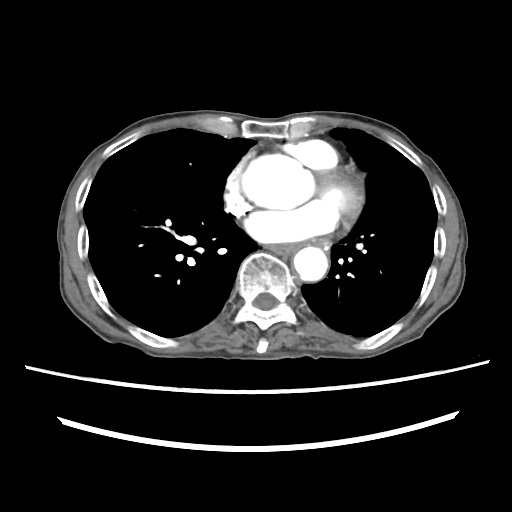
Chest-level CT slice, above the liver and spleen. Axial slice 85/120. soft-tissue window (W 400 / L 40). 81-year-old male patient
At this level of the chest this dataset labels only the esophagus and the aorta, and each is boxed only where it is labeled; the heart and lungs are never labeled.
<organs><organ name="esophagus" x1="268" y1="244" x2="299" y2="254"/><organ name="aorta" x1="241" y1="155" x2="314" y2="209"/><organ name="aorta" x1="293" y1="246" x2="328" y2="281"/></organs>